Abdominal CT. Axial slice 74/123. soft-tissue window (W 400 / L 40)
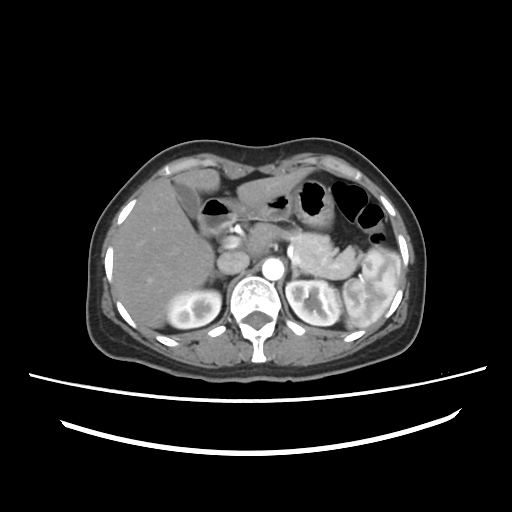
Boxes: x1:y1:x2:y2 in pixels.
right kidney: 167:290:221:328
right adrenal gland: 211:272:224:280
inferior vena cava: 217:251:249:274
stomach: 223:179:334:228
liver: 114:167:311:328
left adrenal gland: 291:264:301:278
duodenum: 197:199:236:235
gall bladder: 175:184:200:218
aorta: 262:258:283:280
pancreas: 267:226:363:279
left kidney: 285:280:340:325
spleen: 343:247:400:328